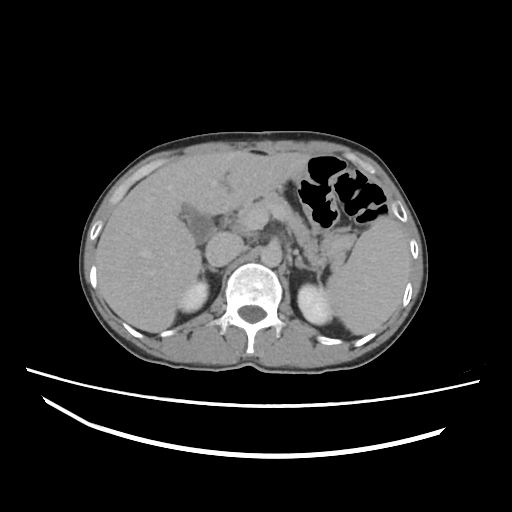 CT, abdomen/pelvis · axial plane, index 76 · 512x512 px · Aquilion ONE scanner
Each box given as x1,y1,x2,y2.
Organ bounding boxes:
- spleen: x1=326, y1=218, x2=410, y2=335
- right kidney: x1=180, y1=280, x2=208, y2=312
- left kidney: x1=297, y1=284, x2=330, y2=323
- gall bladder: x1=180, y1=202, x2=215, y2=245
- liver: x1=95, y1=150, x2=309, y2=331
- aorta: x1=260, y1=244, x2=281, y2=266
- inferior vena cava: x1=205, y1=232, x2=244, y2=266
- pancreas: x1=237, y1=194, x2=323, y2=272
- right adrenal gland: x1=201, y1=266, x2=218, y2=272
- left adrenal gland: x1=295, y1=258, x2=319, y2=272
- duodenum: x1=221, y1=209, x2=238, y2=227